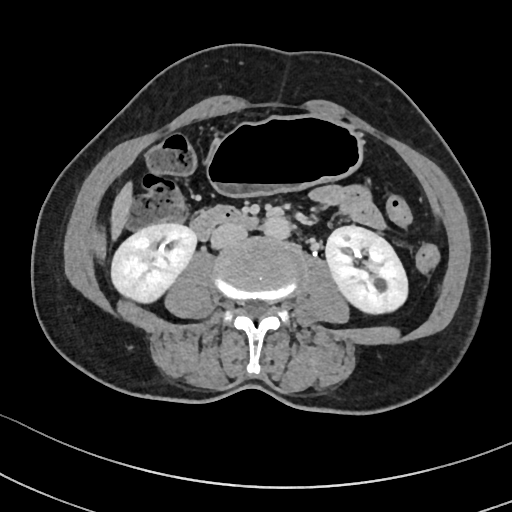 Abdominal CT — axial view
Boxes: x1:y1:x2:y2 in pixels.
right kidney: 111:223:196:302
left kidney: 326:226:407:313
liver: 111:182:132:239
stomach: 207:116:361:199
aorta: 263:216:290:239
inferior vena cava: 211:223:247:248
duodenum: 190:205:254:239